CT, abdomen/pelvis — axial plane, index 63 — soft-tissue window (W 400 / L 40) — 15 organs annotated in this scan (that count is for the whole scan; organs this slice misses have no box)
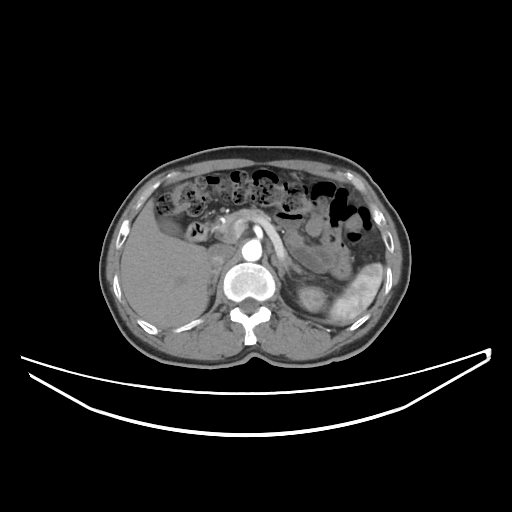

Boxes: x1:y1:x2:y2 in pixels.
Organ bounding boxes:
- pancreas: 216:208:301:272
- spleen: 327:263:383:325
- right adrenal gland: 208:267:221:295
- inferior vena cava: 209:244:234:267
- gall bladder: 158:216:181:236
- liver: 120:199:212:328
- duodenum: 186:222:209:241
- left adrenal gland: 272:254:287:279
- left kidney: 298:286:325:312
- aorta: 241:240:261:261